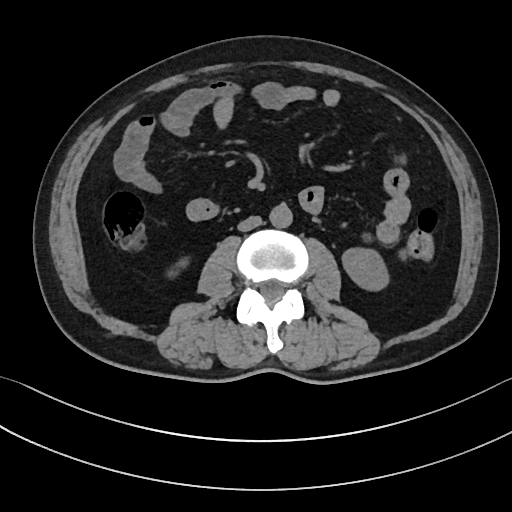

Abdominal CT; axial view; 15 organs annotated in this scan (counted over the whole 3D scan, not this slice; an organ is boxed only where this slice passes through it)
Boxes: x1:y1:x2:y2 in pixels.
Organ bounding boxes:
- left kidney: 343:247:388:288
- aorta: 269:203:292:227
- inferior vena cava: 238:216:261:231